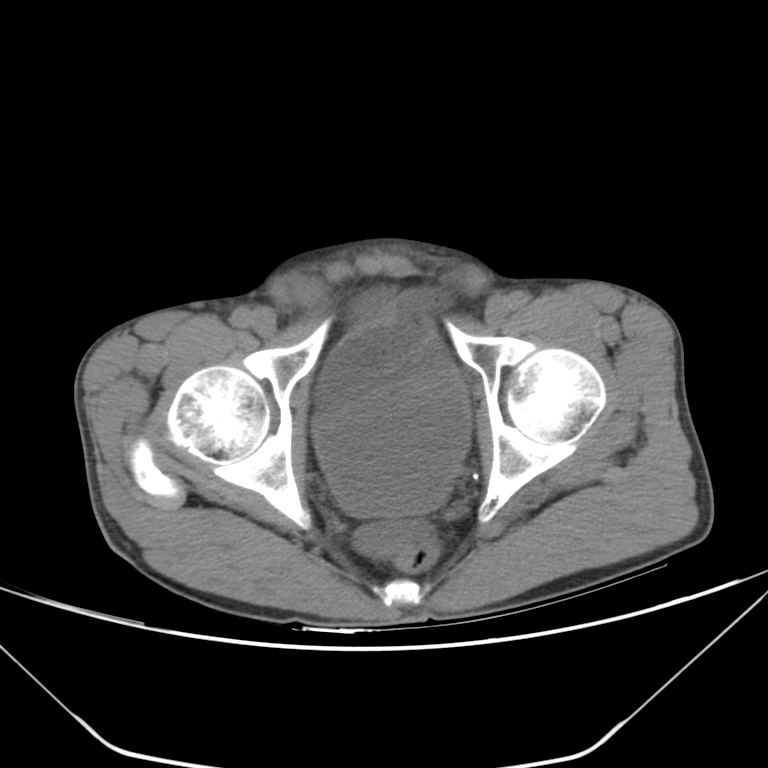
CT abdomen. axial view. 768x768 px
Boxes: x1 y1 x2 y2 (pixel coords, space-separated). The annotated organs in this slice are: bladder at 312 361 470 517.